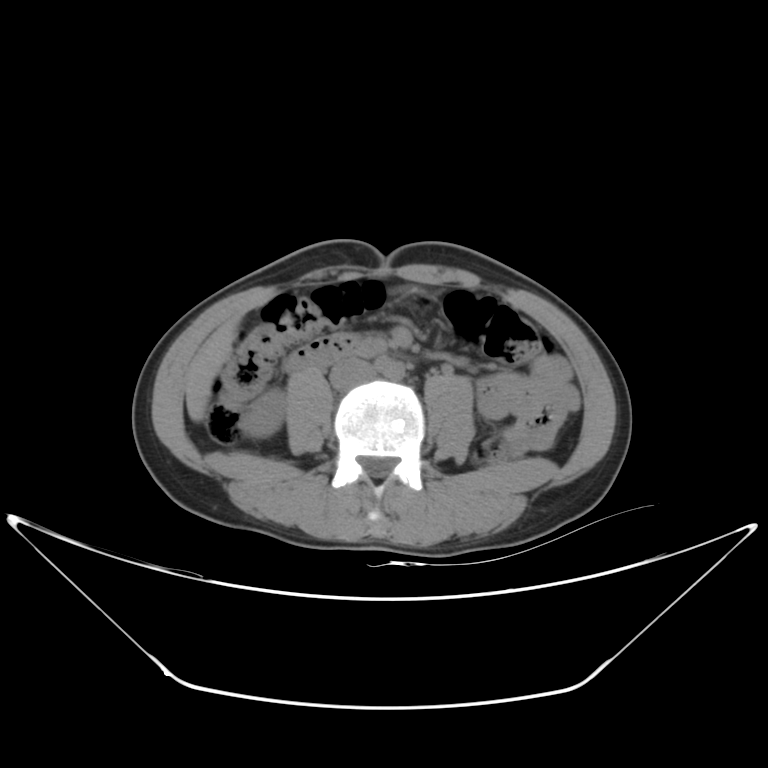 CT abdomen · axial view · soft-tissue window (W 400 / L 40) · Brilliance16 scanner · scan has 15 labeled organs (a whole-scan count: organs this slice does not pass through have no box)
<organs><organ name="right kidney" x1="241" y1="388" x2="286" y2="438"/><organ name="liver" x1="186" y1="319" x2="238" y2="421"/><organ name="aorta" x1="376" y1="357" x2="404" y2="380"/><organ name="inferior vena cava" x1="329" y1="359" x2="375" y2="389"/><organ name="duodenum" x1="283" y1="336" x2="385" y2="373"/></organs>